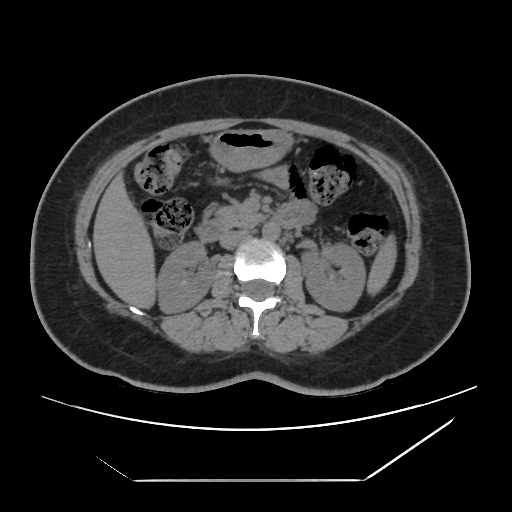

CT, abdomen/pelvis. axial view. SOMATOM Force scanner. scan has 15 labeled organs (a whole-scan count: organs this slice does not pass through have no box)
Box edges are left/top/right/bottom in pixels. Labeled organs on this slice: inferior vena cava at left=219, top=229, right=249, bottom=249, pancreas at left=215, top=202, right=262, bottom=228, right kidney at left=156, top=240, right=213, bottom=312, stomach at left=212, top=130, right=288, bottom=168, spleen at left=369, top=244, right=393, bottom=289, aorta at left=262, top=221, right=280, bottom=239, duodenum at left=199, top=204, right=303, bottom=241, liver at left=93, top=178, right=155, bottom=307, left kidney at left=304, top=245, right=366, bottom=310.